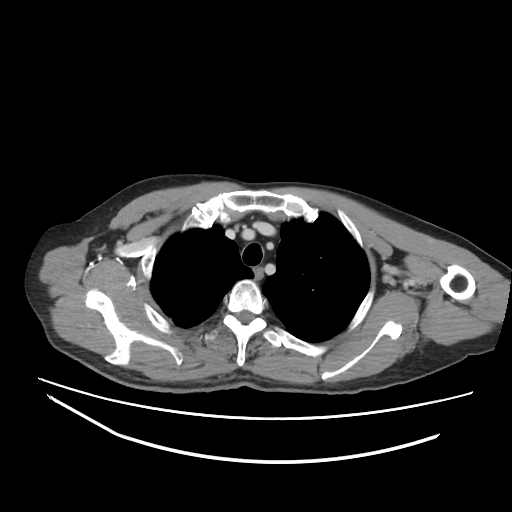 Chest-level CT slice, above the liver and spleen; axial plane, index 115; 512x512 px
On a slice this high in the chest, this dataset labels only the esophagus and the aorta, and each is boxed only where it is labeled; the heart, lungs and other chest structures are not labeled. Boxes are (x1, y1, x2, y2) in pixels. Labeled organs on this slice: esophagus at (253, 266, 263, 280).